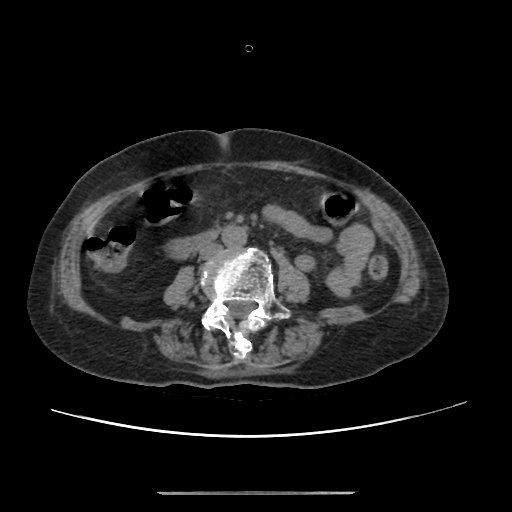
CT abdomen; axial view; soft-tissue window (W 400 / L 40)
<organs><organ name="aorta" x1="222" y1="225" x2="247" y2="247"/><organ name="inferior vena cava" x1="199" y1="243" x2="222" y2="259"/><organ name="duodenum" x1="173" y1="229" x2="218" y2="258"/></organs>